MRI, abdomen — axial view
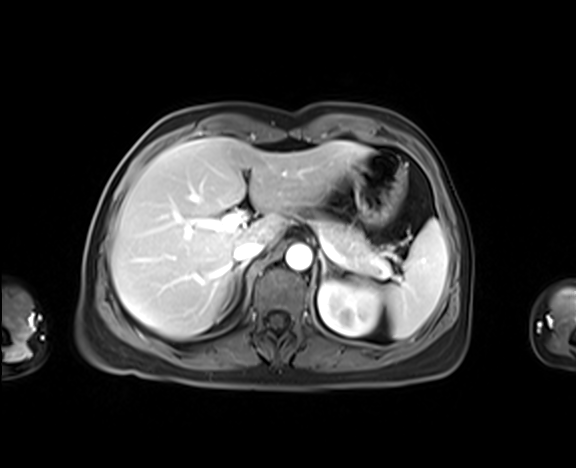

<organs><organ name="spleen" x1="354" y1="219" x2="447" y2="338"/><organ name="left kidney" x1="318" y1="280" x2="381" y2="335"/><organ name="liver" x1="110" y1="138" x2="369" y2="339"/><organ name="stomach" x1="352" y1="150" x2="405" y2="225"/><organ name="aorta" x1="285" y1="243" x2="311" y2="270"/><organ name="inferior vena cava" x1="233" y1="241" x2="265" y2="262"/><organ name="pancreas" x1="315" y1="217" x2="381" y2="275"/><organ name="right adrenal gland" x1="222" y1="264" x2="244" y2="317"/><organ name="left adrenal gland" x1="318" y1="251" x2="328" y2="280"/></organs>